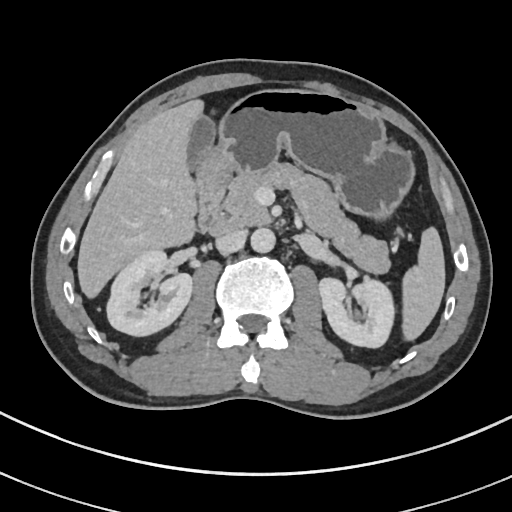

Abdominal CT · axial view · soft-tissue window
Bounding boxes as [x1, y1, x2, y2] in pixel coordinates.
spleen: [404, 228, 444, 338]
right kidney: [106, 248, 191, 334]
left kidney: [318, 279, 395, 348]
gall bladder: [187, 116, 213, 167]
liver: [78, 101, 202, 296]
stomach: [194, 88, 412, 216]
aorta: [251, 228, 276, 253]
inferior vena cava: [216, 230, 247, 254]
pancreas: [220, 164, 391, 272]
duodenum: [195, 196, 230, 237]